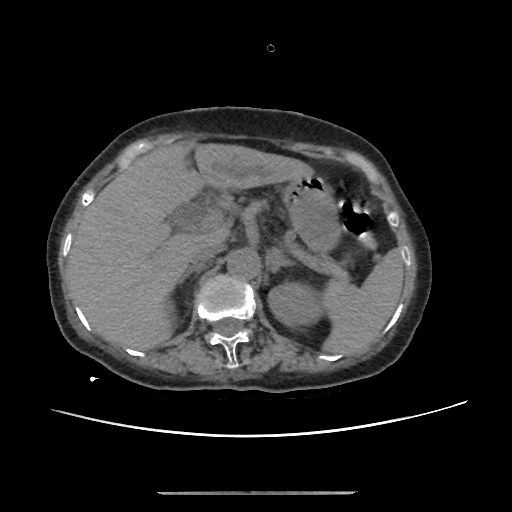

CT, abdomen/pelvis; Axial slice 256/353
Bounding boxes as [x1, y1, x2, y2] in pixel coordinates.
spleen: [324, 249, 403, 353]
stomach: [282, 175, 339, 250]
right adrenal gland: [179, 269, 200, 282]
liver: [68, 142, 313, 349]
inferior vena cava: [188, 243, 222, 269]
aorta: [226, 248, 259, 278]
left kidney: [268, 284, 321, 327]
left adrenal gland: [266, 248, 291, 271]
pancreas: [262, 202, 347, 281]